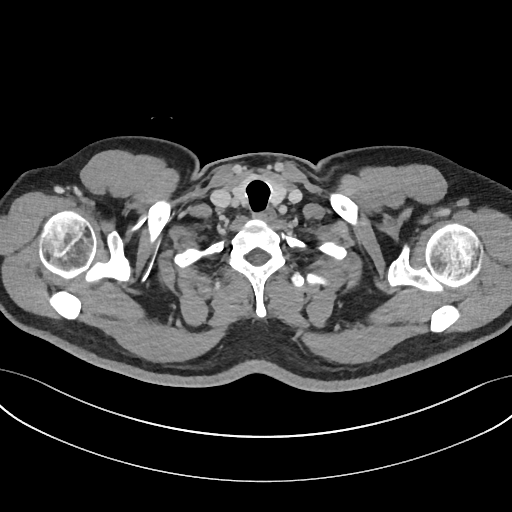
Chest-level CT slice, above the liver and spleen. Axial slice 342/345. 512x512 px
On a slice this high in the chest, this dataset labels only the esophagus and the aorta, and each is boxed only where it is labeled; the heart, lungs and other chest structures are not labeled.
Boxes: x1 y1 x2 y2 (pixel coords, space-separated).
Organ bounding boxes:
- esophagus: 262 209 275 220